Lower-chest slice from an abdominal CT, just above the liver and spleen — axial view — soft-tissue window — 512x512 px — 67-year-old male patient
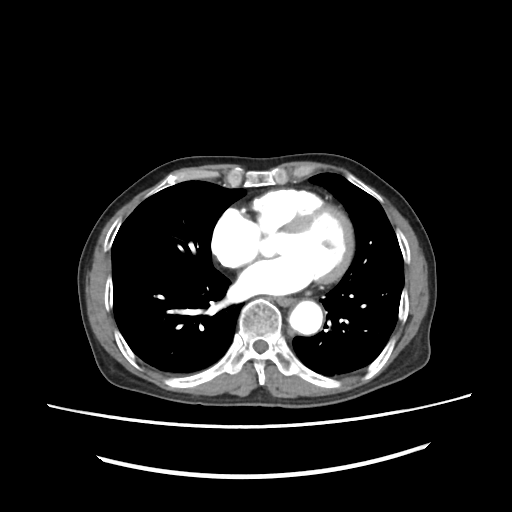

The heart and lungs are never labeled in this dataset, so they have no box on this slice.
<organs><organ name="esophagus" x1="278" y1="297" x2="293" y2="304"/><organ name="aorta" x1="288" y1="298" x2="322" y2="333"/></organs>